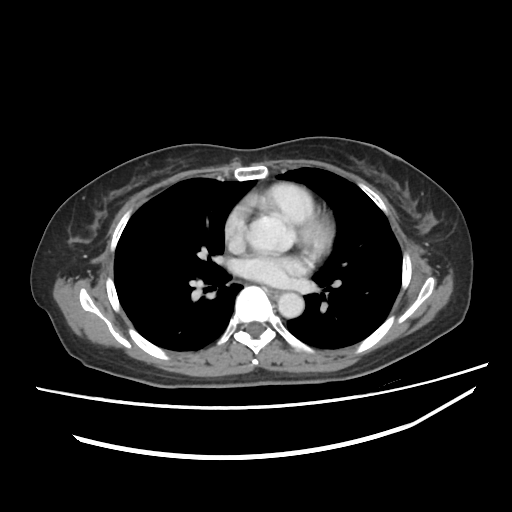 Abdominal CT; this slice is in the lower chest, just above the liver; axial view; acquired on Aquilion ONE
Of the structures in the chest, this dataset labels only the esophagus, the aorta and the inferior vena cava; the heart and lungs have no label.
Coordinates as <box>x1,y1,x2,y2</box> in pixels.
esophagus: <box>269,290,279,296</box>
aorta: <box>277,292,304,318</box>